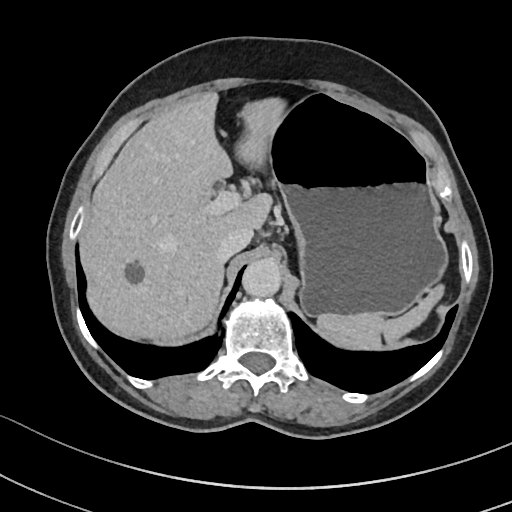

Computed tomography, abdomen; axial view; W/L 400/40 HU
Box edges are left/top/right/bottom in pixels.
Organ bounding boxes:
- spleen: left=317, top=285, right=445, bottom=347
- stomach: left=270, top=92, right=449, bottom=319
- liver: left=80, top=91, right=284, bottom=341
- inferior vena cava: left=216, top=226, right=253, bottom=261
- aorta: left=241, top=260, right=281, bottom=298